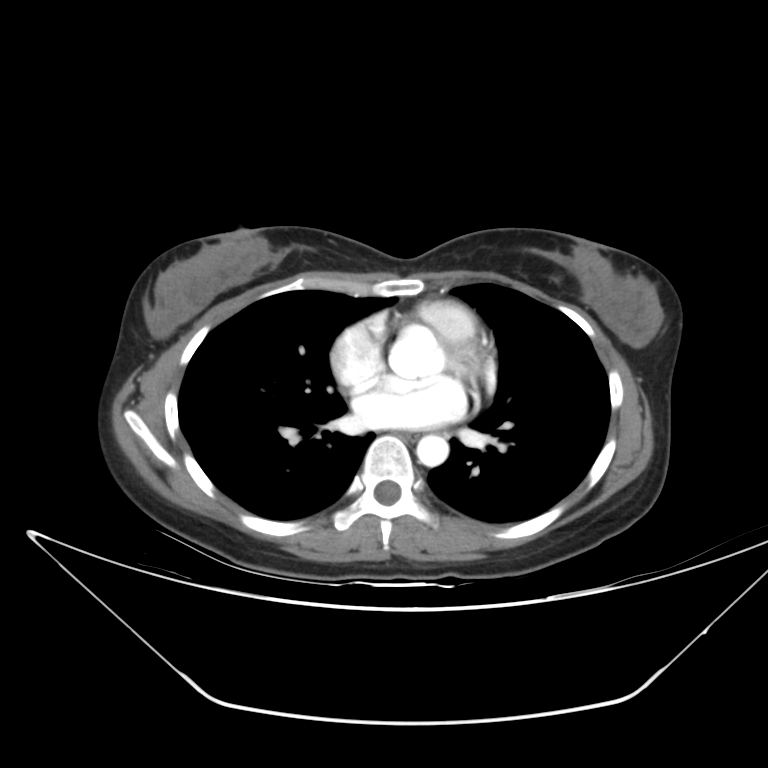
CT of the abdomen reaching into the lower chest, slice just above the liver and spleen. axial view. soft-tissue window (W 400 / L 40). scan has 13 labeled organs (a whole-scan count: organs this slice does not pass through have no box)
The heart and lungs are never labeled in this dataset, so they have no box on this slice.
Bounding boxes as [x1, y1, x2, y2] in pixel coordinates.
Organ bounding boxes:
- esophagus: [402, 431, 421, 440]
- aorta: [416, 435, 448, 466]